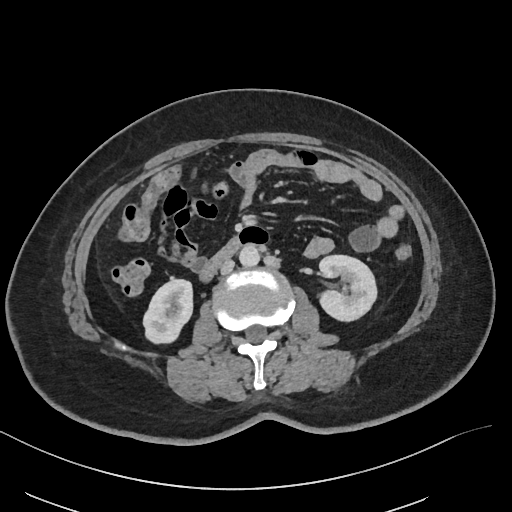

Abdominal CT — axial view — abdomen soft-tissue window — 512x512 px — scan has 15 labeled organs (counted over the whole 3D scan, not this slice; an organ is boxed only where this slice passes through it)
{"organs":{"right kidney":[144,279,191,342],"left kidney":[318,255,376,320],"aorta":[239,244,260,266],"inferior vena cava":[220,258,234,273],"duodenum":[200,237,242,281]}}